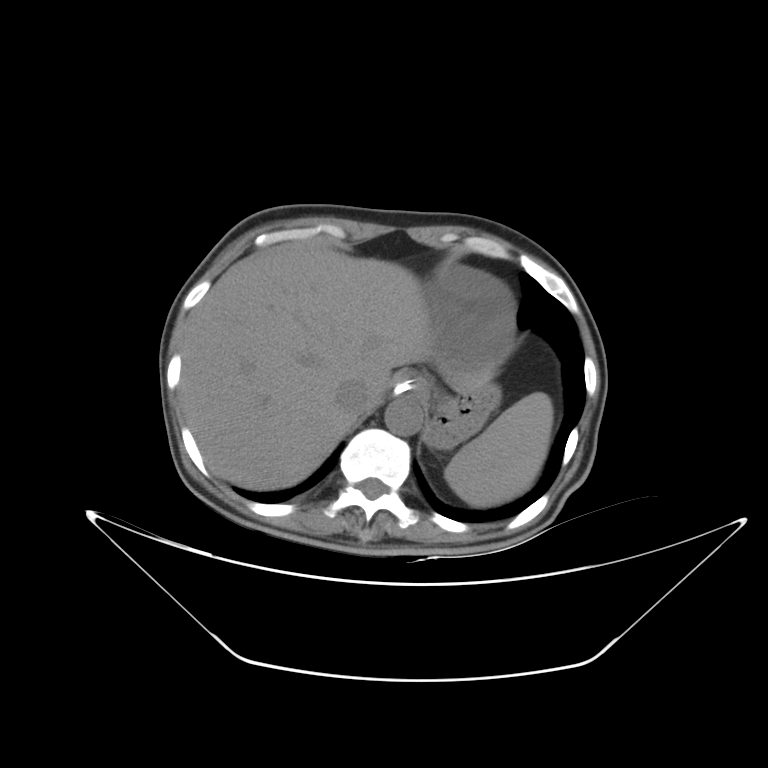

Abdominal CT. axial view. Brilliance16 scanner. 15 organs annotated in this scan (a whole-scan count: organs this slice does not pass through have no box)
<organs><organ name="spleen" x1="444" y1="392" x2="553" y2="506"/><organ name="liver" x1="179" y1="244" x2="488" y2="489"/><organ name="stomach" x1="395" y1="370" x2="501" y2="449"/><organ name="aorta" x1="385" y1="396" x2="423" y2="435"/><organ name="inferior vena cava" x1="334" y1="378" x2="370" y2="417"/></organs>